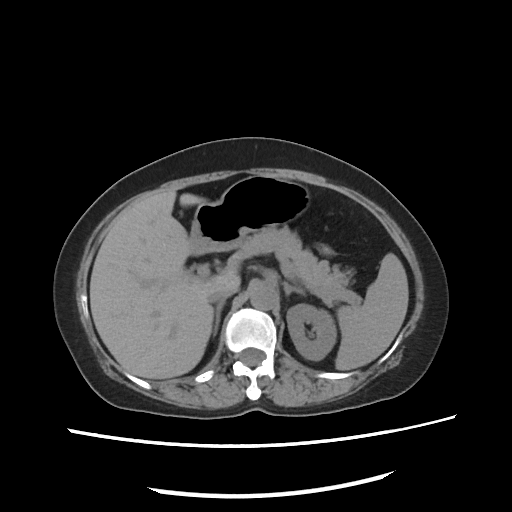

CT, abdomen/pelvis — Axial slice 69/88 — soft-tissue window (W 400 / L 40)
Bounding boxes as [x1, y1, x2, y2] in pixel coordinates. The annotated organs in this slice are: spleen at [335, 253, 409, 371], left kidney at [286, 305, 336, 359], liver at [90, 190, 240, 379], stomach at [187, 175, 311, 254], aorta at [249, 284, 277, 309], inferior vena cava at [209, 291, 233, 302], pancreas at [253, 230, 349, 286], right adrenal gland at [212, 300, 225, 335], left adrenal gland at [283, 282, 305, 295].